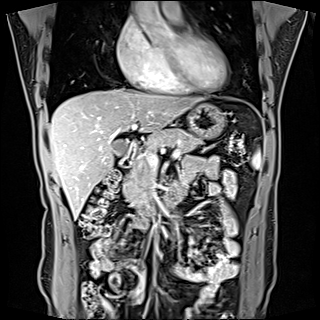
Abdominal MRI; coronal plane, index 39; 320x320 px; 13 organs annotated in this scan (counted over the whole 3D scan, not this slice; an organ is boxed only where this slice passes through it)
{"organs":{"spleen":[252,152,260,167],"gall bladder":[112,140,127,157],"liver":[48,88,200,218],"stomach":[187,103,225,138],"pancreas":[124,129,202,206],"duodenum":[120,142,182,214]}}